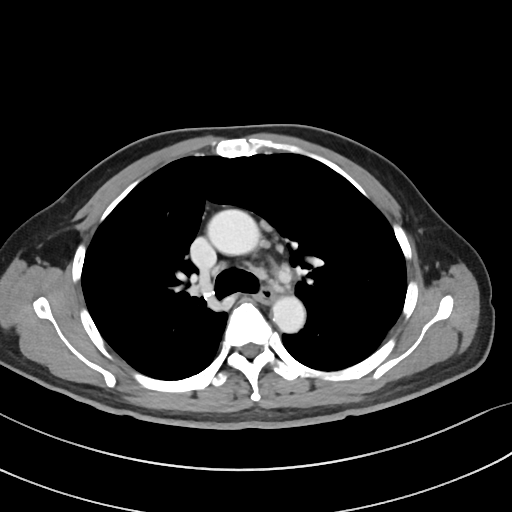
Abdominal CT reaching into the chest; this slice is in the chest — axial view — 15 organs annotated in this scan (counted over the whole 3D scan, not this slice; an organ is boxed only where this slice passes through it)
At this level of the chest this dataset labels only the esophagus and the aorta, and each is boxed only where it is labeled; the heart and lungs are never labeled.
{"organs":{"esophagus":[258,286,276,303],"aorta":[[207,209,260,255],[272,296,305,333]]}}